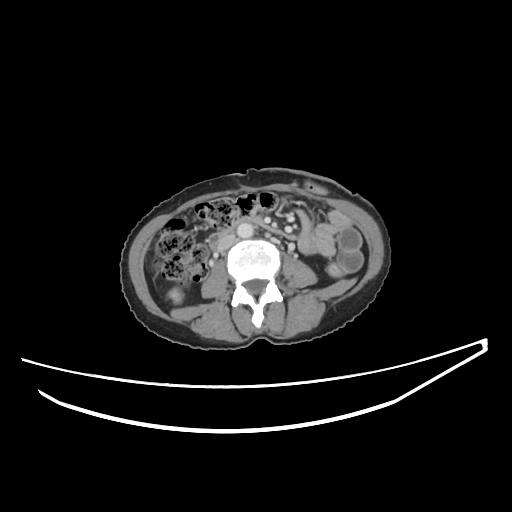 CT abdomen · axial plane, index 46 · 512x512 px · 62-year-old female patient · scan has 15 labeled organs (counted over the whole 3D scan, not this slice; an organ is boxed only where this slice passes through it)
Boxes: x1 y1 x2 y2 (pixel coords, space-separated). 4 labeled organs on this slice — right kidney at 168 289 182 302; aorta at 237 223 253 238; duodenum at 208 218 294 248; inferior vena cava at 217 233 235 251.